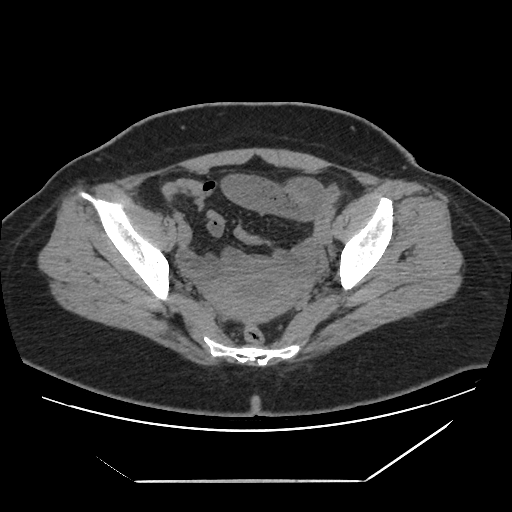
CT abdomen; axial view; 512x512 px; acquired on SOMATOM Force
{"organs":{"duodenum":[252,259,262,260],"prostate/uterus":[205,260,302,322]}}